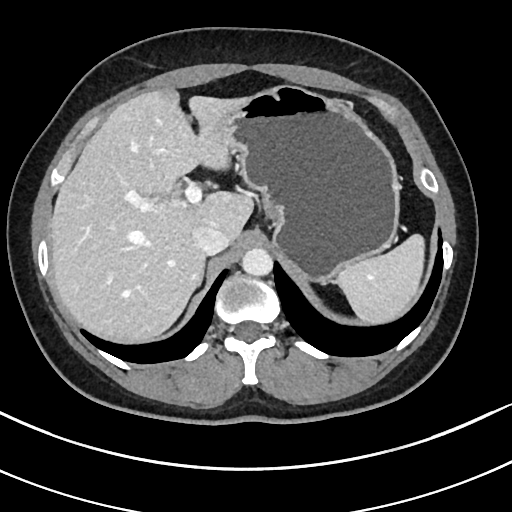

Computed tomography, abdomen — axial view — 512x512 px
Boxes are (x1, y1, x2, y2) in pixels. Labeled organs on this slice: spleen at (334, 233, 424, 321), liver at (49, 90, 253, 339), stomach at (225, 85, 400, 280), aorta at (241, 248, 272, 277), inferior vena cava at (193, 225, 227, 254), right adrenal gland at (201, 270, 203, 280).